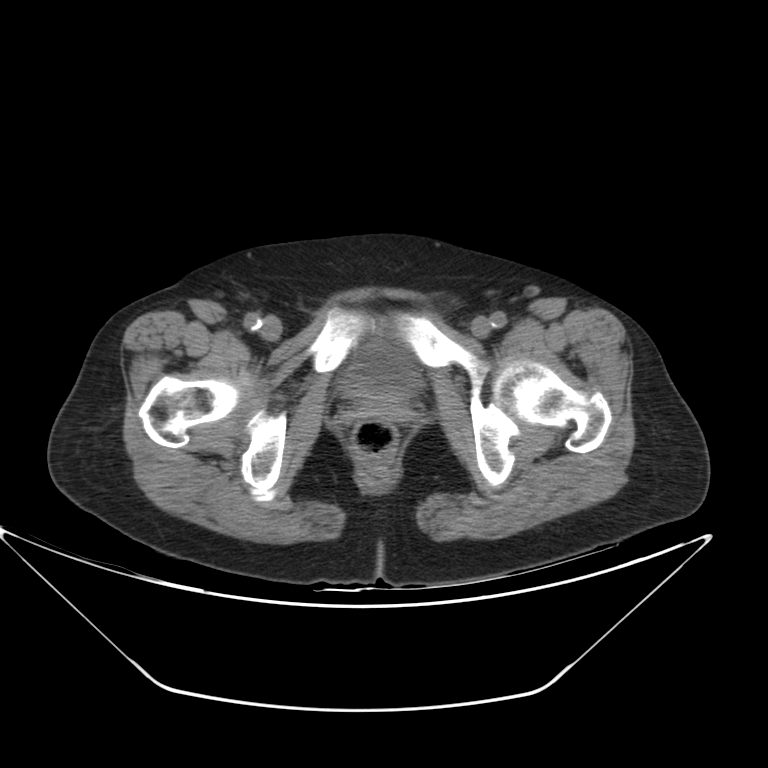
CT, abdomen/pelvis. axial plane, index 12. W/L 400/40 HU. 768x768 px. acquired on Brilliance16. 15 organs annotated in this scan (that count is for the whole scan; organs this slice misses have no box)
Bounding boxes as [x1, y1, x2, y2] in pixel coordinates. The annotated organs in this slice are: bladder at [339, 340, 419, 399].